Abdominal CT; this slice is in the lower chest, just above the liver. axial plane, index 200. soft-tissue window (W 400 / L 40)
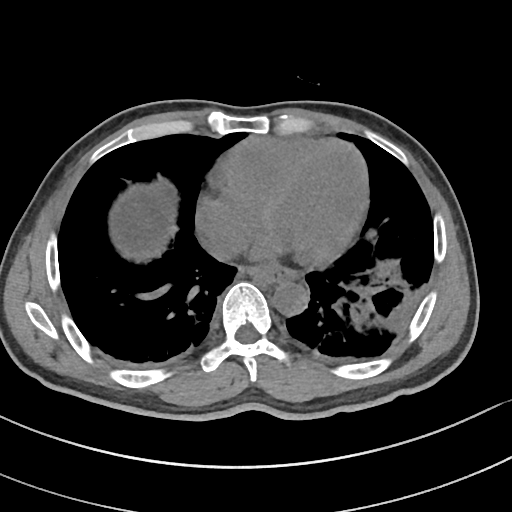

Of the structures in the chest, this dataset labels only the esophagus, the aorta and the inferior vena cava; the heart and lungs have no label.
Boxes: x1 y1 x2 y2 (pixel coords, space-separated).
Organ bounding boxes:
- esophagus: 240 265 299 283
- aorta: 273 281 308 315
- inferior vena cava: 208 234 245 262